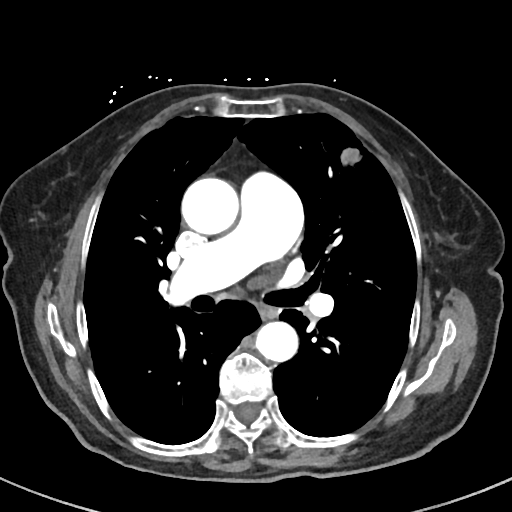 Chest-level slice from an abdominal CT that extends up into the chest; axial view; acquired on SOMATOM Force
At this level of the chest no structure but the esophagus and the aorta has a label in this dataset, and those two are boxed only where they are labeled.
Boxes: x1:y1:x2:y2 in pixels.
Organ bounding boxes:
- esophagus: 258:304:278:321
- aorta: 181:177:238:235
- aorta: 254:321:297:362